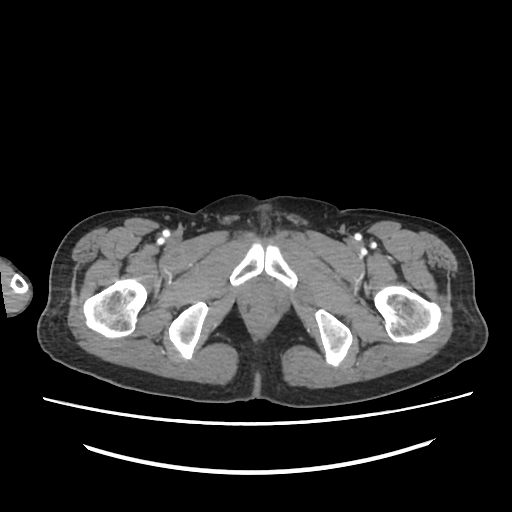

Computed tomography, abdomen. axial view. 61-year-old male patient. acquired on Aquilion ONE. scan has 14 labeled organs (counted over the whole 3D scan, not this slice; an organ is boxed only where this slice passes through it)
Box edges are left/top/right/bottom in pixels.
Organ bounding boxes:
- prostate/uterus: left=250, top=282, right=276, bottom=304